CT abdomen — axial view — soft-tissue window (W 400 / L 40) — 15 organs annotated in this scan (a whole-scan count: organs this slice does not pass through have no box)
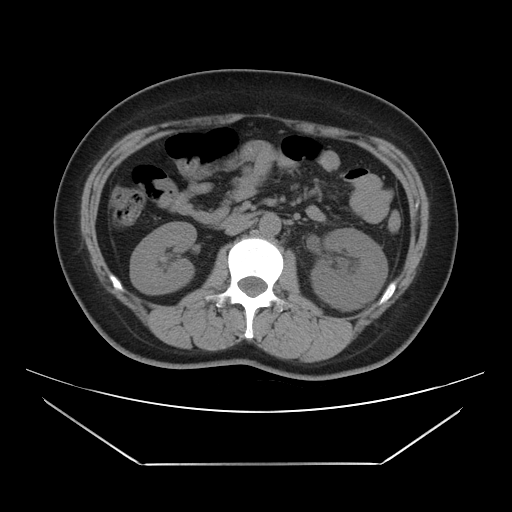

Boxes: x1:y1:x2:y2 in pixels.
Organ bounding boxes:
- right kidney: 130:222:196:294
- aorta: 259:213:280:236
- left kidney: 311:228:387:310
- duodenum: 221:212:259:226
- inferior vena cava: 225:220:252:235